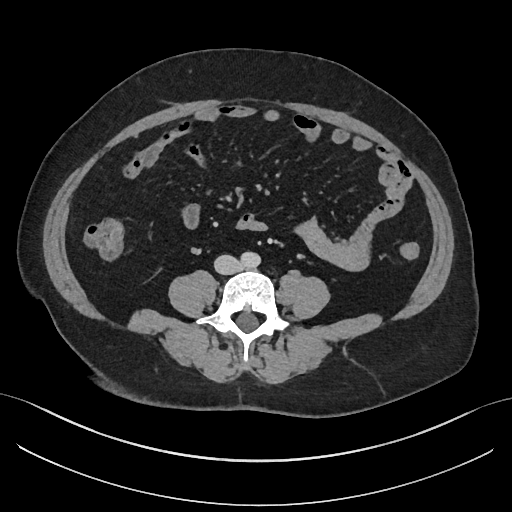 CT abdomen; axial view; abdomen soft-tissue window; 512x512 px; SOMATOM Force scanner
Each box given as x1,y1,x2,y2.
aorta: x1=240, y1=251, x2=260, y2=267
inferior vena cava: x1=214, y1=255, x2=241, y2=274